Computed tomography, abdomen · axial view · soft-tissue window
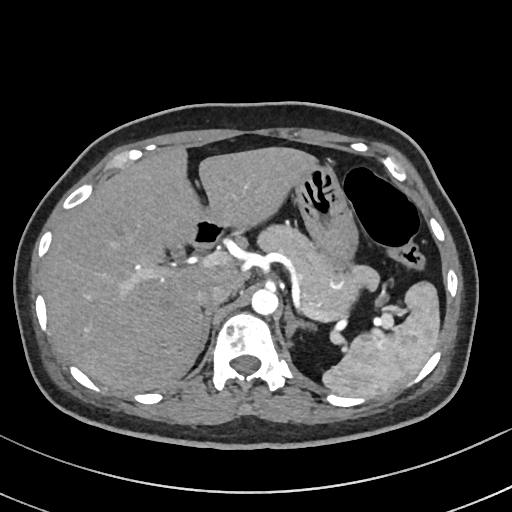 <organs><organ name="aorta" x1="251" y1="288" x2="278" y2="315"/><organ name="pancreas" x1="257" y1="226" x2="357" y2="321"/><organ name="liver" x1="43" y1="145" x2="321" y2="395"/><organ name="right adrenal gland" x1="200" y1="310" x2="212" y2="349"/><organ name="left adrenal gland" x1="285" y1="309" x2="317" y2="345"/><organ name="inferior vena cava" x1="196" y1="282" x2="229" y2="310"/><organ name="spleen" x1="322" y1="282" x2="439" y2="398"/><organ name="stomach" x1="201" y1="167" x2="359" y2="292"/><organ name="duodenum" x1="191" y1="220" x2="221" y2="246"/></organs>